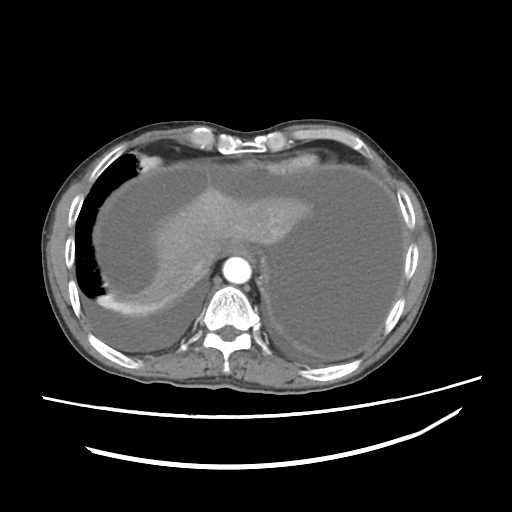
Computed tomography, abdomen; axial view; W/L 400/40 HU; Aquilion ONE scanner
Coordinates as <box>x1,y1,x2,y2</box> in pixels.
Organ bounding boxes:
- esophagus: <box>220,242,256,256</box>
- liver: <box>111,184,314,302</box>
- stomach: <box>257,249,268,284</box>
- aorta: <box>224,255,252,283</box>
- inferior vena cava: <box>188,264,208,285</box>